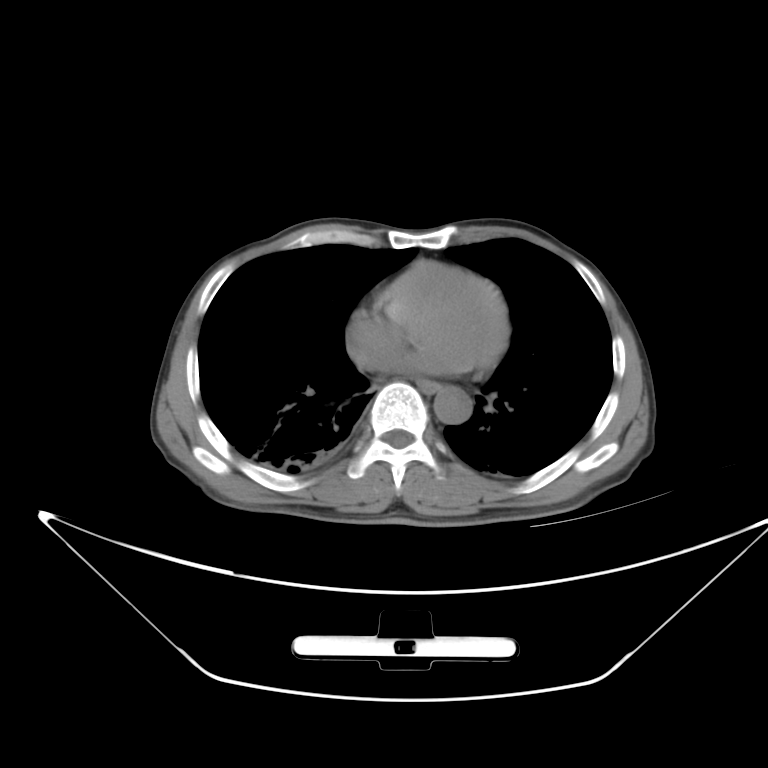
CT of the abdomen reaching into the lower chest, slice just above the liver and spleen; axial plane, index 89; soft-tissue window, W/L 400/40
Of the structures in the chest, this dataset labels only the esophagus, the aorta and the inferior vena cava; the heart and lungs have no label. Boxes: x1 y1 x2 y2 (pixel coords, space-separated). Labeled organs on this slice: aorta at 434 385 472 425, esophagus at 418 383 439 393.